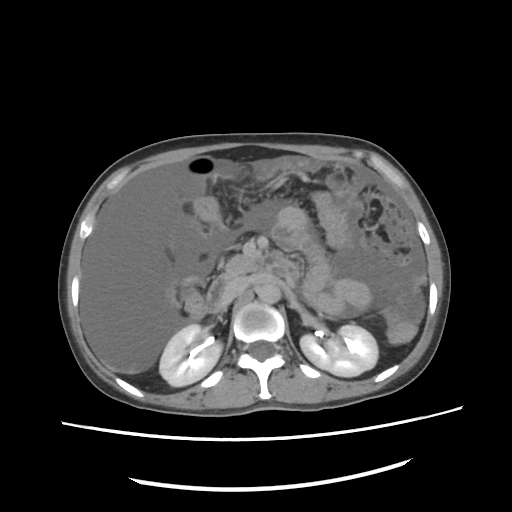
Abdominal CT — axial view — abdomen soft-tissue window — 512x512 px
Coordinates as <box>x1,y1,x2,y2</box> in pixels. The annotated organs in this slice are: right kidney at <box>159,324,221,387</box>, left kidney at <box>299,324,378,375</box>, aorta at <box>257,280,281,304</box>, inferior vena cava at <box>222,277,248,302</box>, pancreas at <box>224,254,258,276</box>, duodenum at <box>205,254,299,312</box>.